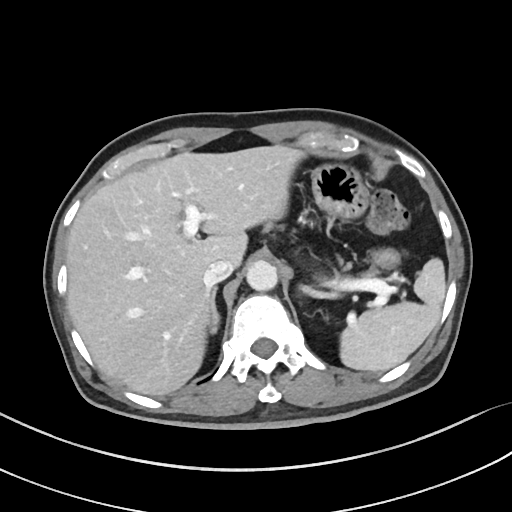 CT abdomen; Axial slice 72/128; 512x512 px; scan has 15 labeled organs (a whole-scan count: organs this slice does not pass through have no box)
One row per box, in pixels: columns x1 and y1 give the top-left corner, x2 and y2 the bottom-right.
| organ | x1 | y1 | x2 | y2 |
|---|---|---|---|---|
| spleen | 340 | 258 | 446 | 371 |
| liver | 66 | 145 | 304 | 395 |
| stomach | 311 | 162 | 368 | 218 |
| aorta | 246 | 260 | 277 | 290 |
| inferior vena cava | 203 | 260 | 232 | 287 |
| right adrenal gland | 209 | 287 | 220 | 333 |